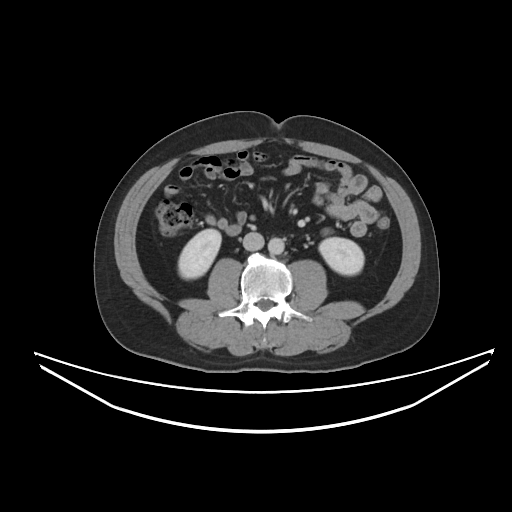

CT, abdomen/pelvis · axial view · abdomen soft-tissue window · scan has 15 labeled organs (a whole-scan count: organs this slice does not pass through have no box)
{"organs":{"right kidney":[178,229,221,278],"left kidney":[319,237,364,274],"inferior vena cava":[243,232,264,250],"aorta":[268,238,284,254]}}